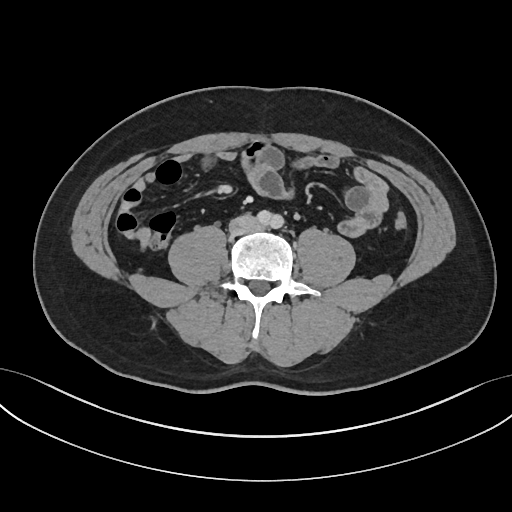
CT, abdomen/pelvis; axial view; scan has 15 labeled organs (counted over the whole 3D scan, not this slice; an organ is boxed only where this slice passes through it)
Bounding boxes as [x1, y1, x2, y2] in pixel coordinates.
Organ bounding boxes:
- inferior vena cava: [229, 214, 259, 235]